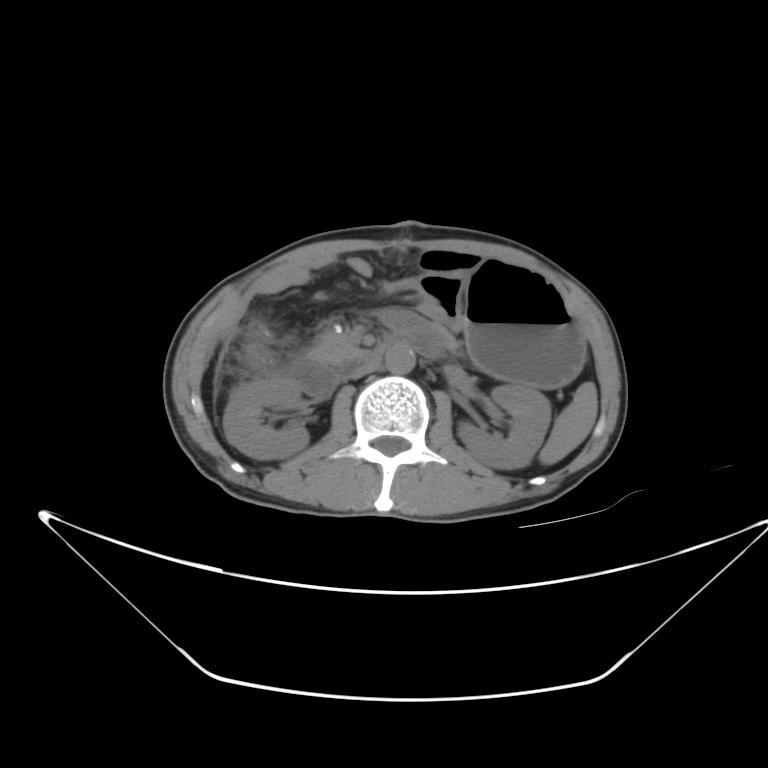 Computed tomography, abdomen; axial view; 768x768 px
Bounding boxes as [x1, y1, x2, y2] in pixel coordinates.
spleen: [392, 330, 597, 463]
right kidney: [223, 379, 306, 457]
left kidney: [459, 385, 551, 465]
liver: [216, 356, 223, 373]
stomach: [417, 261, 582, 388]
aorta: [385, 345, 414, 371]
inferior vena cava: [350, 349, 383, 378]
pancreas: [309, 330, 369, 360]
duodenum: [287, 331, 435, 397]